Computed tomography, abdomen. Axial slice 157/192. abdomen soft-tissue window. 15 organs annotated in this scan (that count is for the whole scan; organs this slice misses have no box)
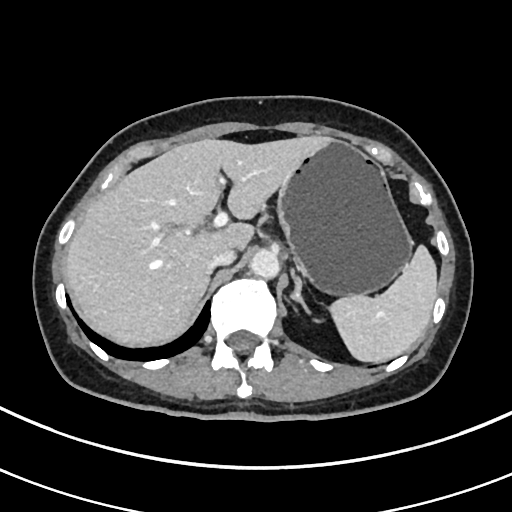
{"organs":{"spleen":[329,244,437,361],"liver":[66,136,328,346],"stomach":[276,140,411,294],"aorta":[249,248,279,277],"inferior vena cava":[209,248,236,268],"left adrenal gland":[290,266,311,314]}}